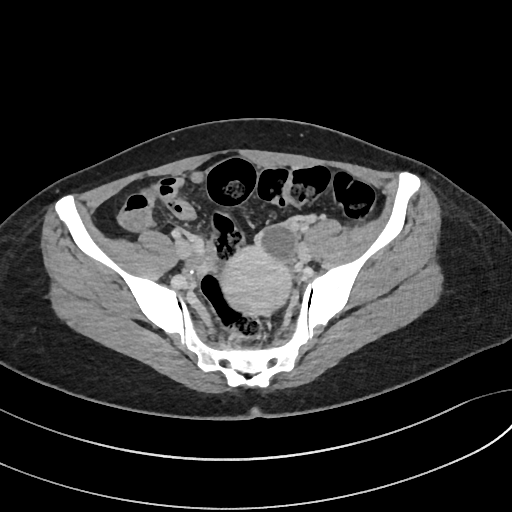

CT, abdomen/pelvis · axial view · 15 organs annotated in this scan (that count is for the whole scan; organs this slice misses have no box)
Boxes: x1:y1:x2:y2 in pixels.
prostate/uterus: 221:246:291:314